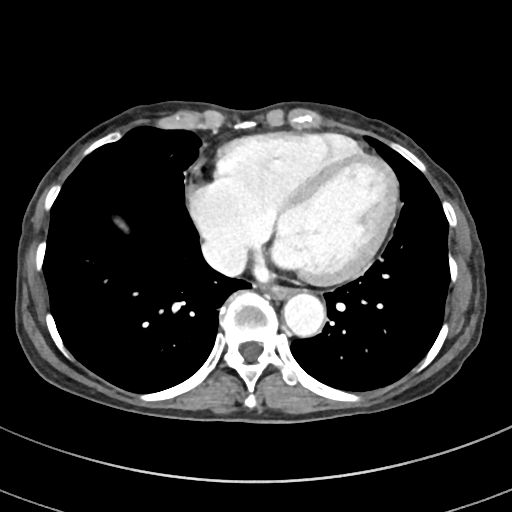 Lower-chest slice from an abdominal CT, just above the liver and spleen — axial plane, index 181 — soft-tissue window
No part of the heart or lungs is labeled in this dataset, so neither has a box here.
Boxes are (x1, y1, x2, y2) in pixels.
Organ bounding boxes:
- esophagus: (264, 284, 293, 298)
- aorta: (283, 293, 325, 336)
- inferior vena cava: (202, 239, 246, 276)